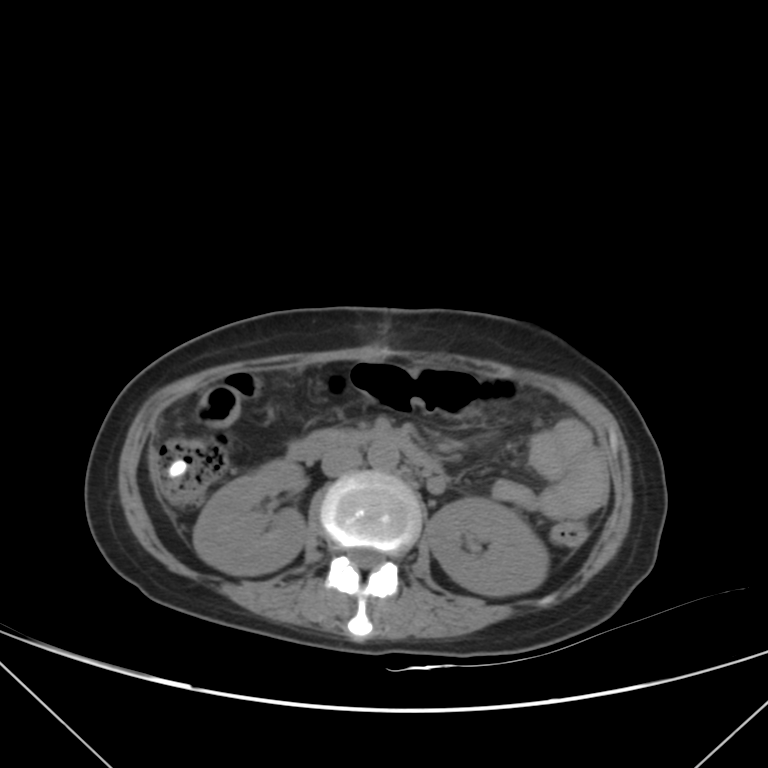
CT abdomen; axial view; 15 organs annotated in this scan (that count is for the whole scan; organs this slice misses have no box)
Boxes: x1 y1 x2 y2 (pixel coords, space-separated).
right kidney: 193 460 305 574
left kidney: 426 497 549 596
aorta: 367 443 398 471
inferior vena cava: 321 448 363 476
duodenum: 288 428 442 474